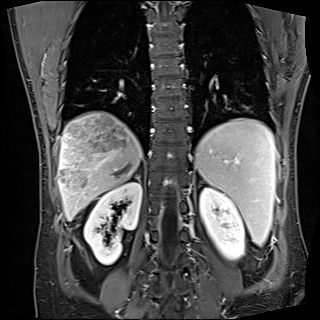

Magnetic resonance imaging, abdomen — Coronal slice 15/60 — percentile-normalized
{"organs":{"spleen":[195,118,275,245],"right kidney":[84,182,142,265],"left kidney":[200,187,244,260],"liver":[57,111,142,220],"right adrenal gland":[136,172,140,181]}}